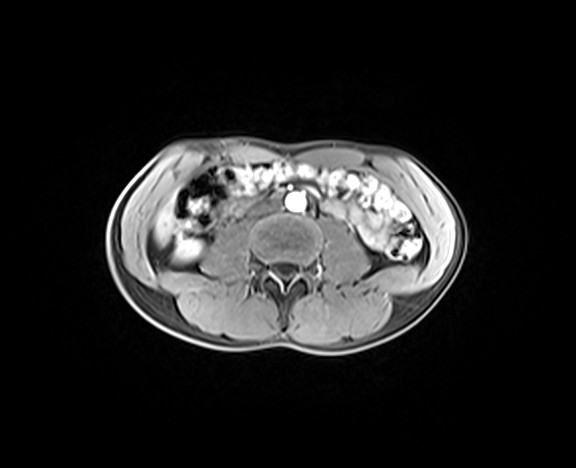 Abdominal MRI. axial view. 1st–99th percentile window
Boxes are (x1, y1, x2, y2) in pixels.
liver: (155, 202, 175, 244)
right kidney: (175, 240, 202, 262)
inferior vena cava: (250, 201, 278, 216)
aorta: (285, 192, 306, 211)